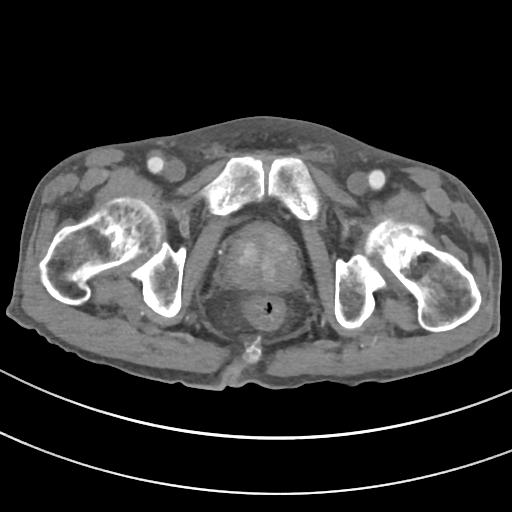

CT abdomen; axial view; 512x512 px; SOMATOM Force scanner
Boxes: x1 y1 x2 y2 (pixel coords, space-separated). Labeled organs on this slice: prostate/uterus at 226 225 297 290.